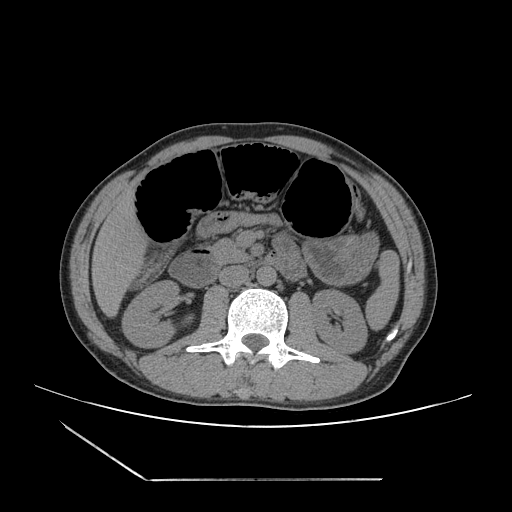

CT, abdomen/pelvis — axial view — W/L 400/40 HU
Boxes: x1:y1:x2:y2 in pixels.
spleen: 365:250:399:330
right kidney: 122:280:192:347
left kidney: 311:290:367:353
liver: 91:188:147:317
stomach: 303:233:379:285
aorta: 256:266:276:286
inferior vena cava: 219:265:248:286
pancreas: 210:238:250:264
duodenum: 169:248:299:287